CT, abdomen/pelvis; axial view; abdomen soft-tissue window; 512x512 px
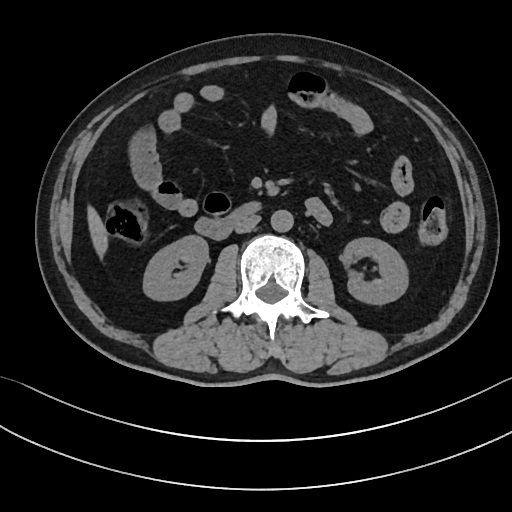
{"organs":{"right kidney":[143,235,208,300],"left kidney":[340,237,408,304],"liver":[87,206,108,258],"aorta":[270,209,293,232],"inferior vena cava":[235,214,260,233],"duodenum":[195,201,260,239]}}